CT, abdomen/pelvis. axial view. soft-tissue window. scan has 15 labeled organs (that count is for the whole scan; organs this slice misses have no box)
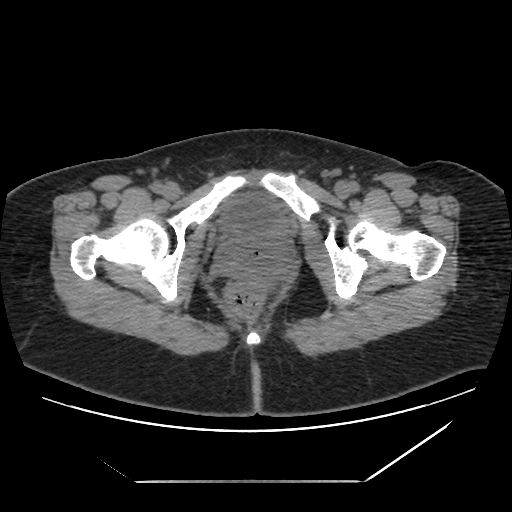

Each box given as x1,y1,x2,y2.
Organ bounding boxes:
- bladder: x1=221, y1=194, x2=286, y2=233